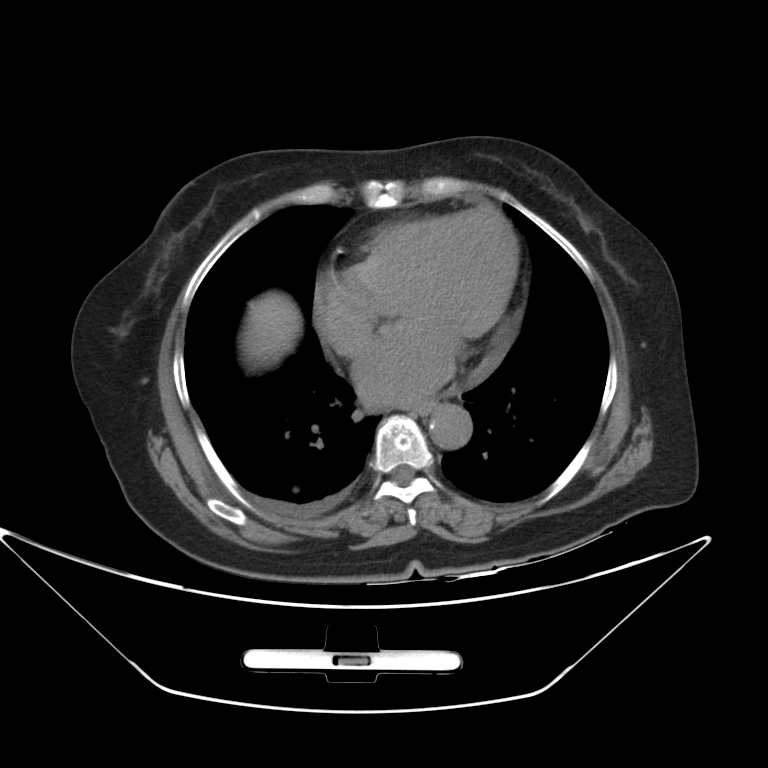
CT abdomen; axial view
Box edges are left/top/right/bottom in pixels.
esophagus: left=410, top=402, right=433, bottom=414
liver: left=246, top=292, right=301, bottom=361
aorta: left=428, top=404, right=472, bottom=449